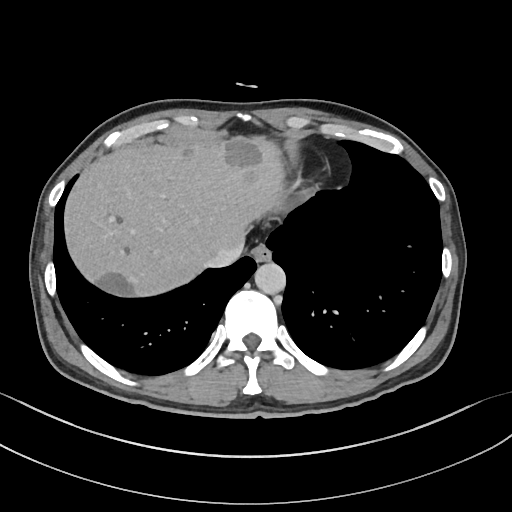

Computed tomography, abdomen — axial view
Boxes: x1 y1 x2 y2 (pixel coords, space-separated). The annotated organs in this slice are: esophagus at 251 243 271 262, liver at 64 136 285 296, aorta at 254 262 285 294, inferior vena cava at 206 241 243 267.